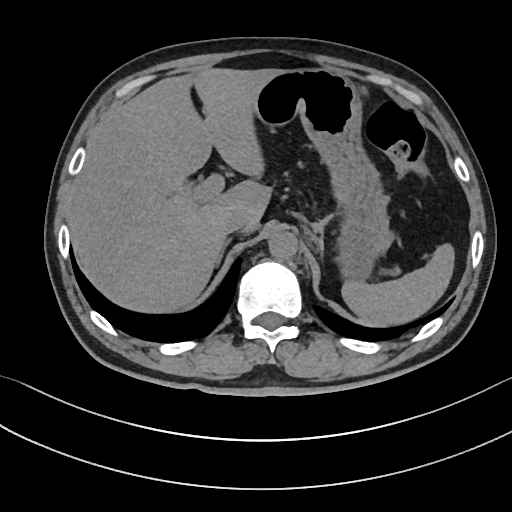

Abdominal CT; Axial slice 183/231; 512x512 px; 15 organs annotated in this scan (counted over the whole 3D scan, not this slice; an organ is boxed only where this slice passes through it)
Box edges are left/top/right/bottom in pixels. Labeled organs on this slice: spleen at left=342, top=243, right=454, bottom=326, liver at left=69, top=68, right=279, bottom=313, stomach at left=254, top=68, right=391, bottom=282, aorta at left=268, top=230, right=297, bottom=259, inferior vena cava at left=223, top=209, right=249, bottom=233, right adrenal gland at left=216, top=238, right=231, bottom=265.